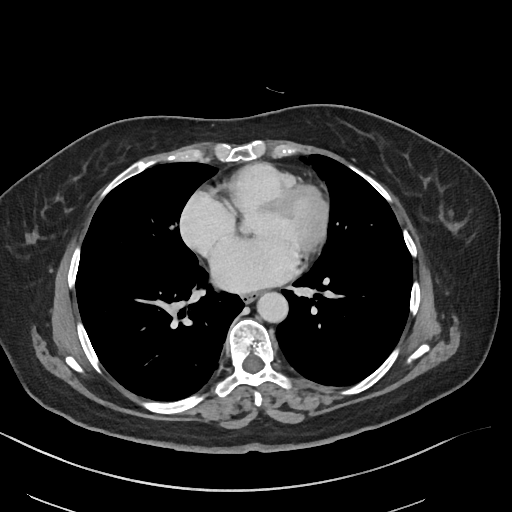

Lower-chest slice from an abdominal CT, just above the liver and spleen · axial view · soft-tissue window
No part of the heart or lungs is labeled in this dataset, so neither has a box here. Each box given as x1,y1,x2,y2. 2 labeled organs on this slice — esophagus at x1=242, y1=292, x2=259, y2=302; aorta at x1=256, y1=292, x2=288, y2=322.